Chest-level slice from an abdominal CT that extends up into the chest — axial view — acquired on Aquilion ONE — 15 organs annotated in this scan (a whole-scan count: organs this slice does not pass through have no box)
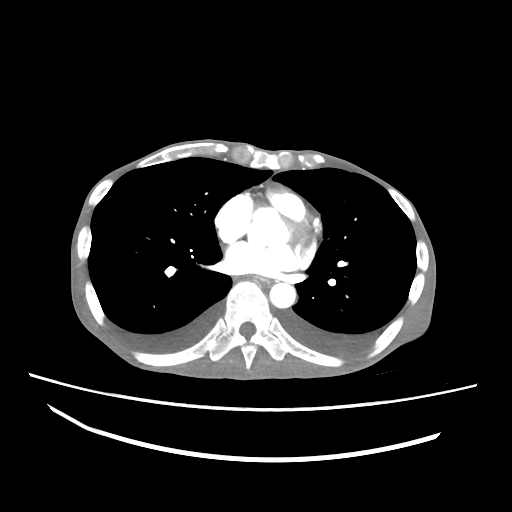

At this level of the chest no structure but the esophagus and the aorta has a label in this dataset, and those two are boxed only where they are labeled. Box edges are left/top/right/bottom in pixels. 2 labeled organs on this slice — esophagus at left=253, top=274, right=270, bottom=284; aorta at left=269, top=283, right=295, bottom=308.